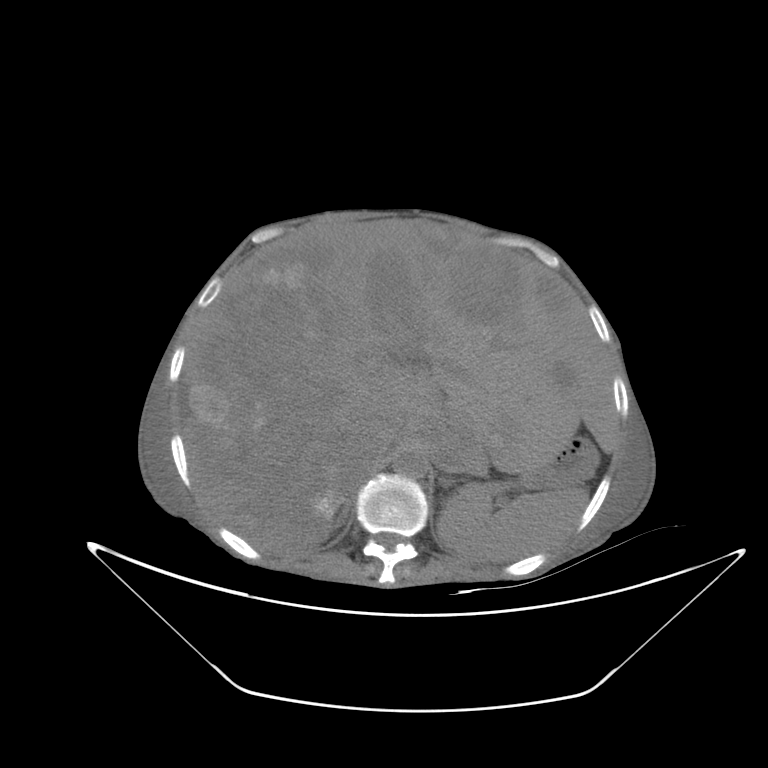
Computed tomography, abdomen · Axial slice 83/108 · 56-year-old male patient
Bounding boxes in pixels, one row per box: x1, y1 is the top-left corner and x2, y2 the bottom-right.
| organ | x1 | y1 | x2 | y2 |
|---|---|---|---|---|
| spleen | 436 | 484 | 587 | 561 |
| liver | 185 | 221 | 618 | 556 |
| stomach | 521 | 438 | 597 | 488 |
| aorta | 392 | 450 | 428 | 478 |
| inferior vena cava | 378 | 420 | 406 | 457 |
| right adrenal gland | 335 | 499 | 352 | 528 |